Abdominal CT; axial view; 512x512 px; Aquilion ONE scanner
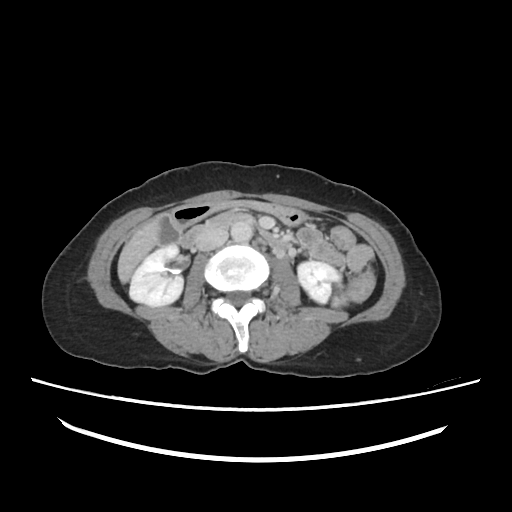
Bounding boxes in pixels, one row per box: x1, y1 is the top-left corner and x2, y2 the bottom-right.
| organ | x1 | y1 | x2 | y2 |
|---|---|---|---|---|
| duodenum | 181 | 211 | 292 | 248 |
| aorta | 230 | 220 | 252 | 241 |
| liver | 117 | 213 | 167 | 283 |
| inferior vena cava | 195 | 227 | 227 | 251 |
| stomach | 172 | 200 | 308 | 226 |
| right kidney | 128 | 244 | 183 | 306 |
| left kidney | 297 | 261 | 338 | 302 |
| gall bladder | 154 | 214 | 181 | 246 |